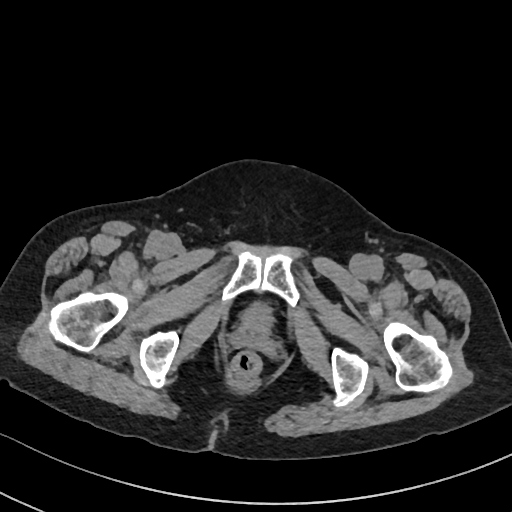

Abdominal CT; axial view; W/L 400/40 HU; 512x512 px; acquired on SOMATOM Force
Each box given as x1,y1,x2,y2.
Organ bounding boxes:
- bladder: x1=244, y1=302, x2=273, y2=329